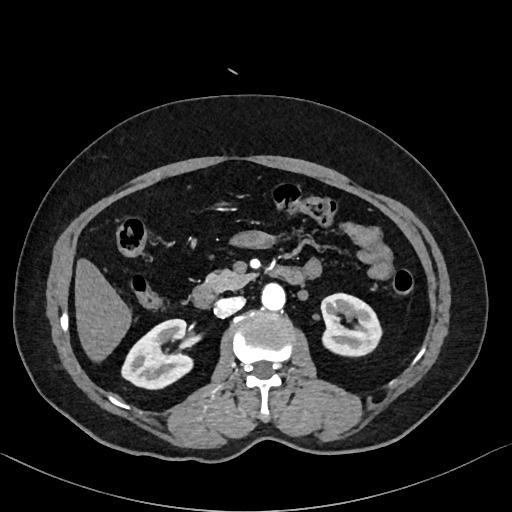

CT abdomen; axial plane, index 134; 512x512 px
<organs><organ name="liver" x1="75" y1="259" x2="130" y2="359"/><organ name="duodenum" x1="192" y1="266" x2="303" y2="307"/><organ name="right kidney" x1="122" y1="319" x2="193" y2="389"/><organ name="pancreas" x1="205" y1="269" x2="255" y2="291"/><organ name="inferior vena cava" x1="215" y1="296" x2="244" y2="316"/><organ name="aorta" x1="261" y1="281" x2="285" y2="309"/><organ name="left kidney" x1="322" y1="293" x2="380" y2="354"/></organs>